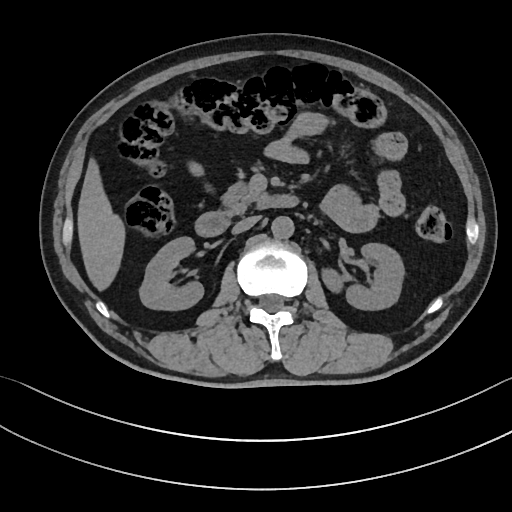 Abdominal CT. axial view. abdomen soft-tissue window. acquired on SOMATOM Force
Boxes: x1:y1:x2:y2 in pixels. The annotated organs in this slice are: left kidney at 322:244:403:310, aorta at 271:216:294:239, right kidney at 140:237:204:310, pancreas at 220:182:265:215, liver at 77:158:125:291, inferior vena cava at 232:215:260:233, duodenum at 194:194:300:236.